CT of the abdomen reaching into the lower chest, slice just above the liver and spleen · axial view · soft-tissue window (W 400 / L 40) · 768x768 px · 62-year-old male patient
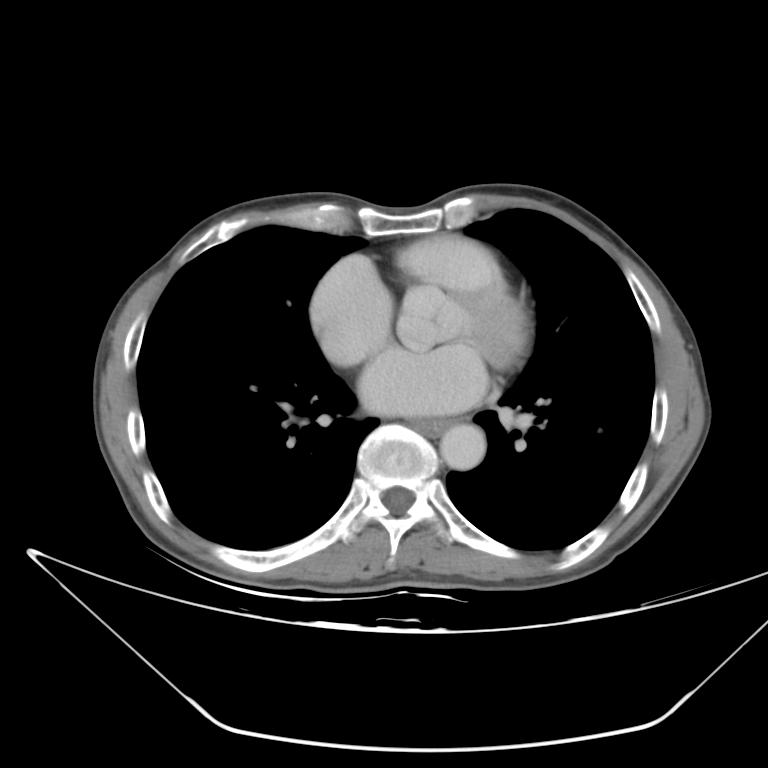 No part of the heart or lungs is labeled in this dataset, so neither has a box here.
Boxes: x1 y1 x2 y2 (pixel coords, space-separated).
esophagus: 416 418 461 435
aorta: 439 423 485 470